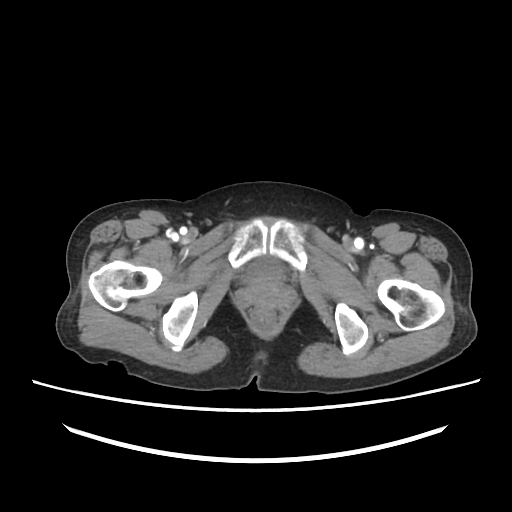
Computed tomography, abdomen; Axial slice 14/96; 512x512 px
{"organs":{"bladder":[248,261,281,280]}}